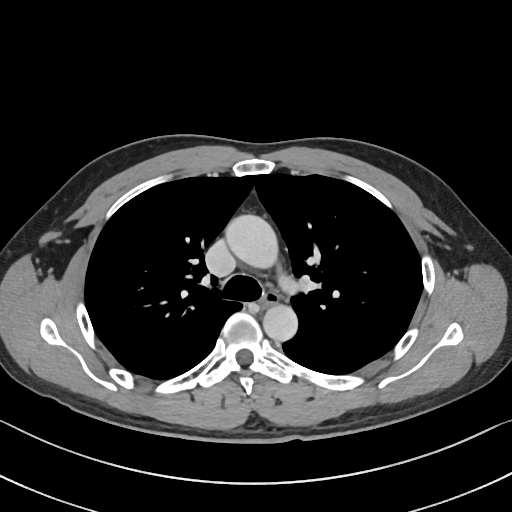 Chest-level CT slice, above the liver and spleen · Axial slice 242/291 · 15 organs annotated in this scan (a whole-scan count: organs this slice does not pass through have no box)
On a slice this high in the chest, this dataset labels only the esophagus and the aorta, and each is boxed only where it is labeled; the heart, lungs and other chest structures are not labeled. Boxes are (x1, y1, x2, y2) in pixels. The annotated organs in this slice are: aorta at (226, 215, 279, 271), aorta at (263, 301, 298, 340), esophagus at (259, 290, 277, 306).